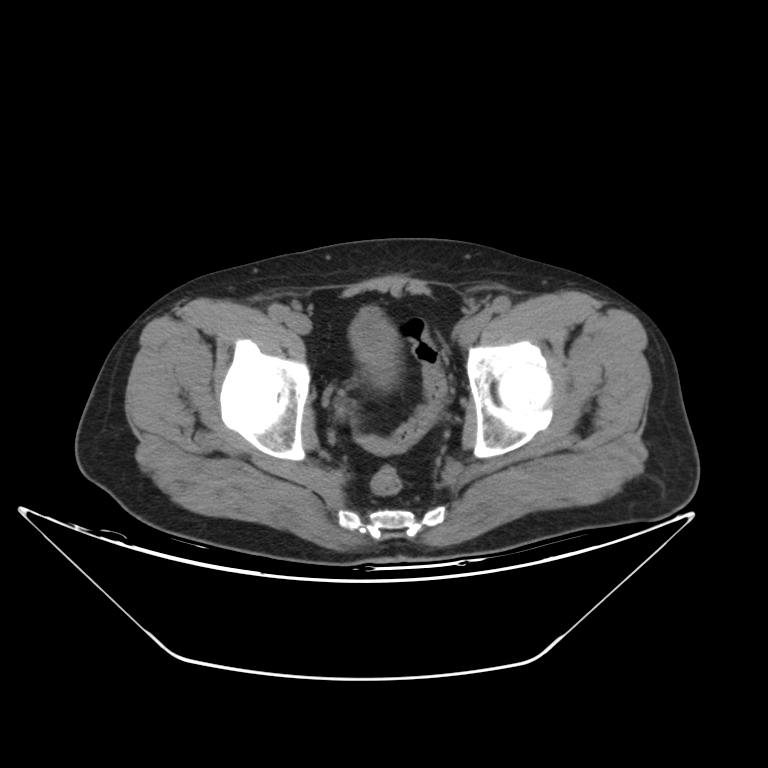 CT abdomen; axial view; abdomen soft-tissue window; scan has 15 labeled organs (that count is for the whole scan; organs this slice misses have no box)
<organs><organ name="bladder" x1="348" y1="310" x2="398" y2="382"/></organs>